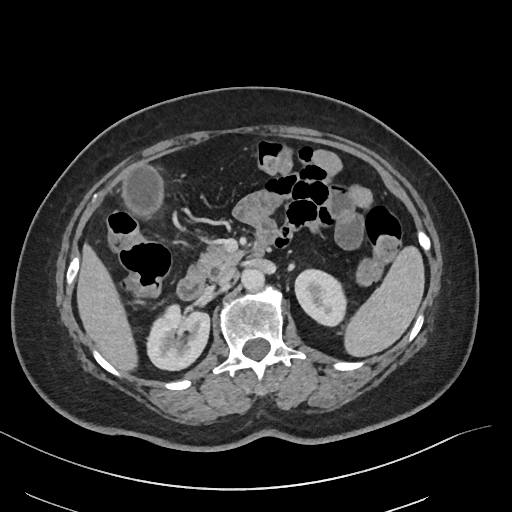

Computed tomography, abdomen; axial view
<organs><organ name="aorta" x1="242" y1="269" x2="265" y2="292"/><organ name="duodenum" x1="176" y1="273" x2="205" y2="300"/><organ name="gall bladder" x1="122" y1="166" x2="163" y2="214"/><organ name="liver" x1="76" y1="241" x2="135" y2="372"/><organ name="right kidney" x1="147" y1="304" x2="210" y2="370"/><organ name="pancreas" x1="188" y1="239" x2="243" y2="278"/><organ name="inferior vena cava" x1="214" y1="268" x2="234" y2="285"/><organ name="left kidney" x1="295" y1="270" x2="347" y2="325"/><organ name="spleen" x1="343" y1="245" x2="425" y2="357"/></organs>